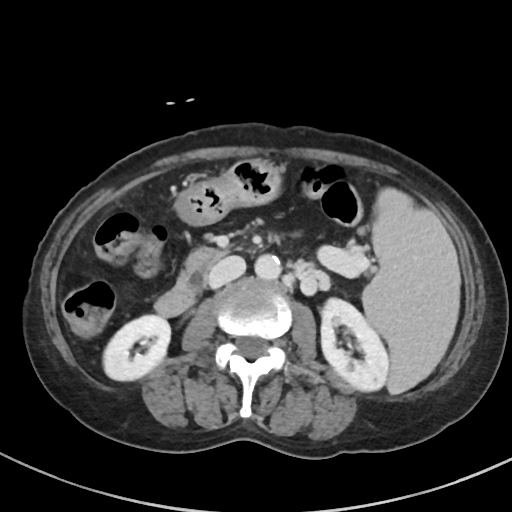
Abdominal CT — axial plane, index 49 — W/L 400/40 HU — acquired on SOMATOM Force
Boxes: x1:y1:x2:y2 in pixels.
spleen: 362:189:459:393
right kidney: 103:315:170:380
left kidney: 321:298:389:391
stomach: 174:159:282:225
aorta: 254:254:281:280
inferior vena cava: 208:256:245:288
pancreas: 178:247:225:291
duodenum: 155:275:198:316